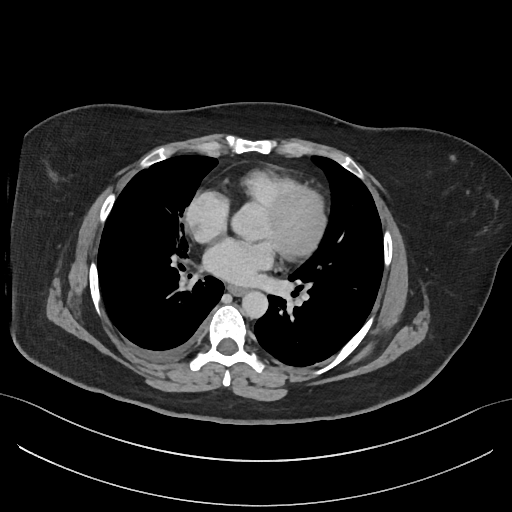 Lower-chest slice from an abdominal CT, just above the liver and spleen; axial view; soft-tissue window; 512x512 px
No part of the heart or lungs is labeled in this dataset, so neither has a box here. Coordinates as <box>x1,y1,x2,y2</box> in pixels. The annotated organs in this slice are: esophagus at <box>227,285,246,295</box>, aorta at <box>241,290,267,317</box>.